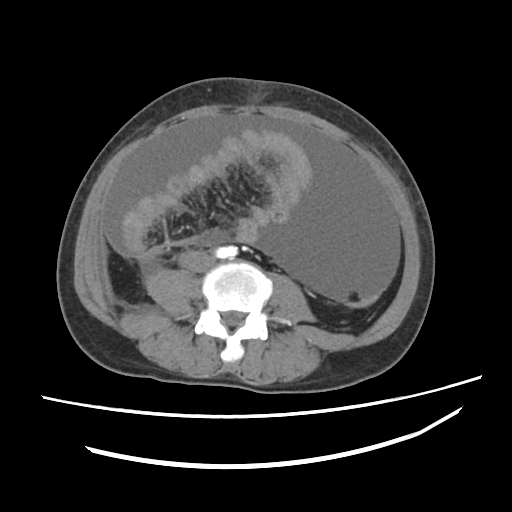 CT, abdomen/pelvis. axial plane, index 52. 50-year-old male patient
{"organs":{"inferior vena cava":[177,252,211,272]}}